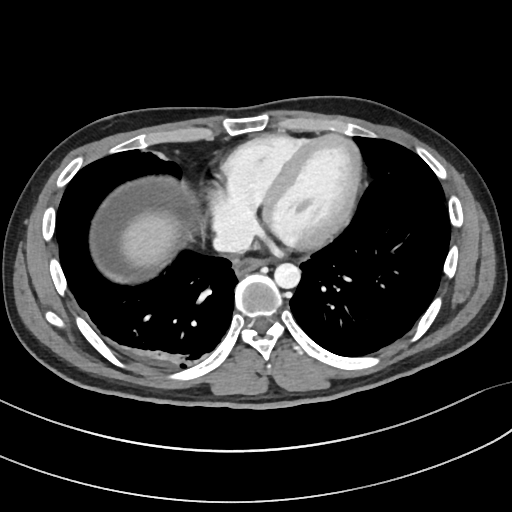 Abdominal CT · axial view · abdomen soft-tissue window · 512x512 px
Box edges are left/top/right/bottom in pixels.
esophagus: left=234, top=258, right=269, bottom=275
liver: left=120, top=211, right=177, bottom=268
aorta: left=274, top=263, right=300, bottom=289
inferior vena cava: left=213, top=224, right=253, bottom=252